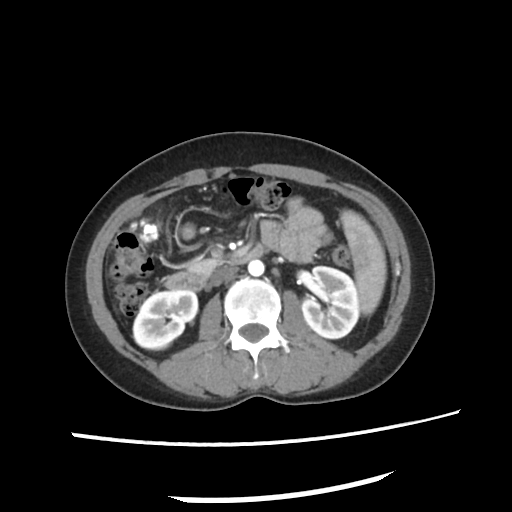
CT abdomen. axial plane, index 57. soft-tissue window. 34-year-old female patient
Boxes are (x1, y1, x2, y2) in pixels.
Organ bounding boxes:
- spleen: (340, 210, 385, 315)
- right kidney: (132, 290, 197, 349)
- left kidney: (303, 266, 357, 338)
- liver: (132, 219, 159, 241)
- aorta: (247, 260, 263, 277)
- inferior vena cava: (212, 266, 237, 282)
- pancreas: (187, 259, 221, 273)
- duodenum: (162, 245, 262, 290)